CT of the abdomen extending into the chest, slice through the chest — axial view — soft-tissue window, W/L 400/40 — 512x512 px — acquired on SOMATOM Force
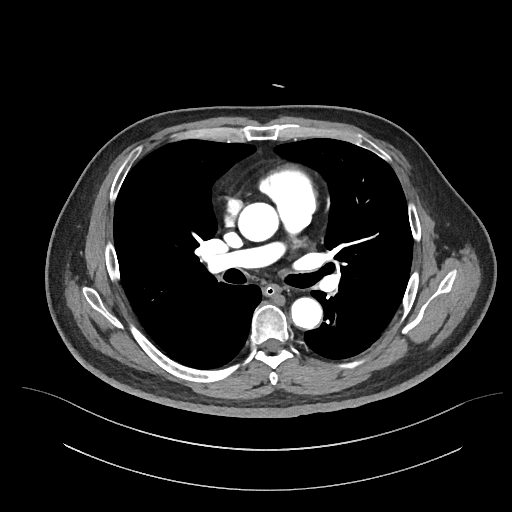

At this level of the chest this dataset labels only the esophagus and the aorta, and each is boxed only where it is labeled; the heart and lungs are never labeled.
<organs><organ name="esophagus" x1="263" y1="284" x2="280" y2="296"/><organ name="aorta" x1="239" y1="202" x2="279" y2="240"/><organ name="aorta" x1="291" y1="297" x2="322" y2="328"/></organs>